CT abdomen — axial view — soft-tissue window — 512x512 px
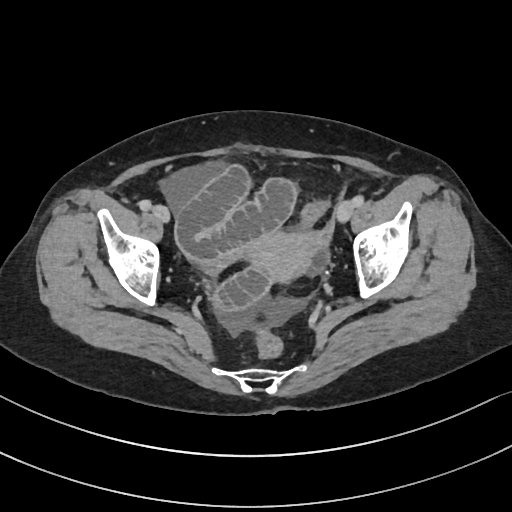

<organs><organ name="prostate/uterus" x1="248" y1="232" x2="313" y2="282"/></organs>